Computed tomography, abdomen; axial view; soft-tissue window; 15 organs annotated in this scan (a whole-scan count: organs this slice does not pass through have no box)
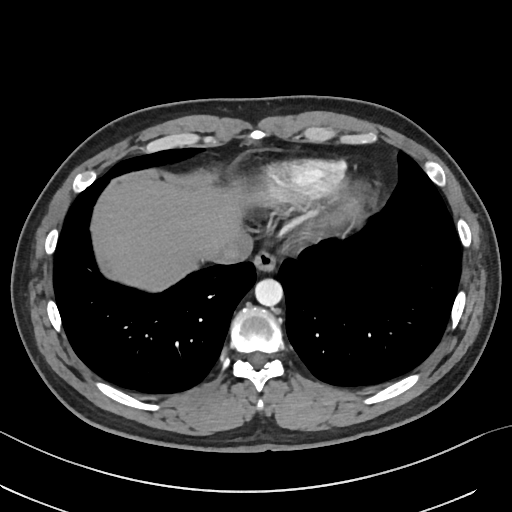
Boxes are (x1, y1, x2, y2) in pixels.
liver: (102, 181, 242, 291)
esophagus: (254, 250, 276, 271)
inferior vena cava: (207, 235, 252, 264)
aorta: (255, 278, 283, 306)